Abdominal CT; axial view; SOMATOM Force scanner
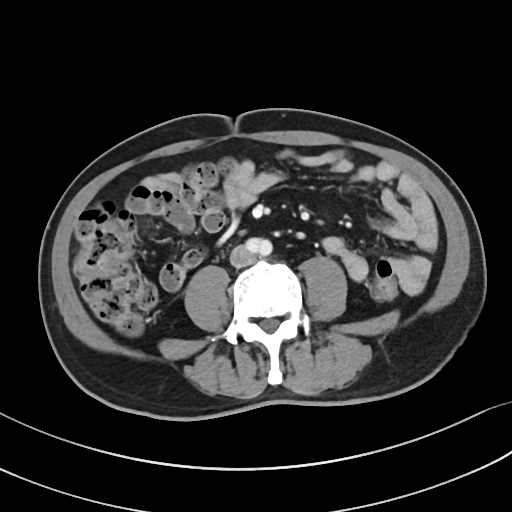

One row per box, in pixels: columns x1 and y1 give the top-left corner, x2 and y2 the bottom-right.
| organ | x1 | y1 | x2 | y2 |
|---|---|---|---|---|
| aorta | 246 | 238 | 272 | 256 |
| inferior vena cava | 230 | 245 | 254 | 267 |